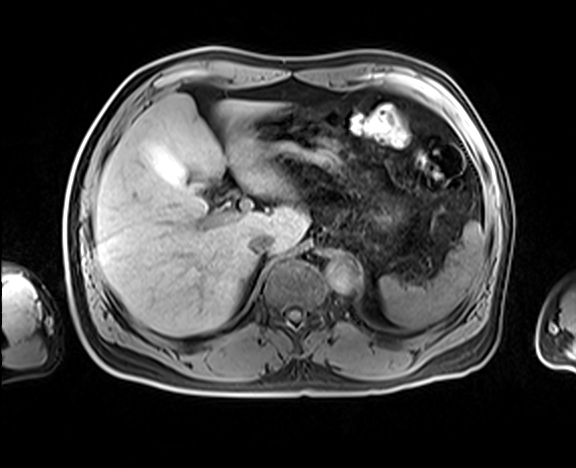
Abdominal MR — axial view — percentile-normalized — scan has 13 labeled organs (that count is for the whole scan; organs this slice misses have no box)
Box edges are left/top/right/bottom in pixels.
stomach: left=245, top=113, right=402, bottom=228
aorta: left=326, top=255, right=360, bottom=293
inferior vena cava: left=249, top=233, right=273, bottom=256
liver: left=93, top=94, right=308, bottom=336
spleen: left=379, top=222, right=485, bottom=329